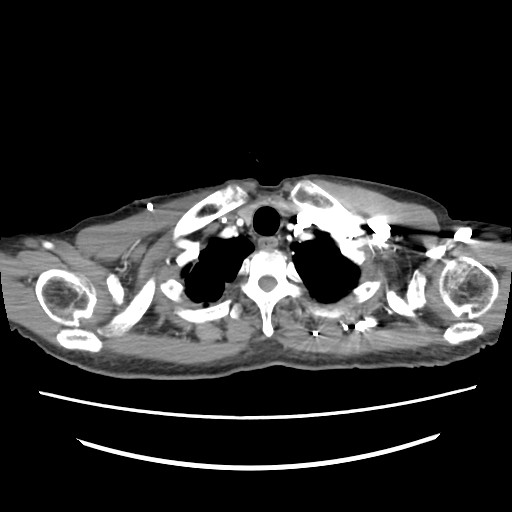 Chest-level slice from an abdominal CT that extends up into the chest · Axial slice 129/134 · 512x512 px · acquired on Aquilion ONE
At this level of the chest this dataset labels only the esophagus and the aorta, and each is boxed only where it is labeled; the heart and lungs are never labeled.
Boxes: x1 y1 x2 y2 (pixel coords, space-separated).
Organ bounding boxes:
- esophagus: 259 239 278 248